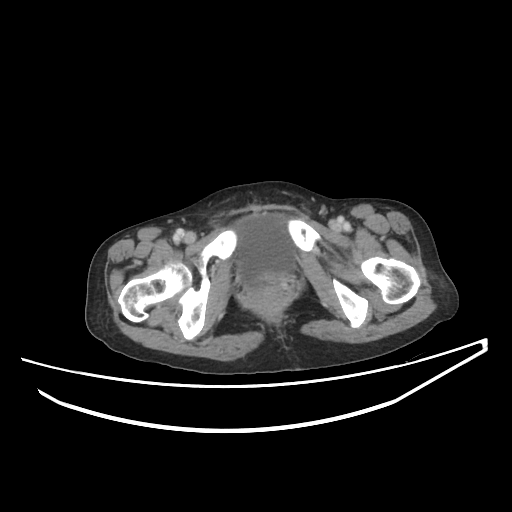 Abdominal CT; axial view; abdomen soft-tissue window; 512x512 px
Box edges are left/top/right/bottom in pixels.
Organ bounding boxes:
- bladder: left=236, top=213, right=294, bottom=285